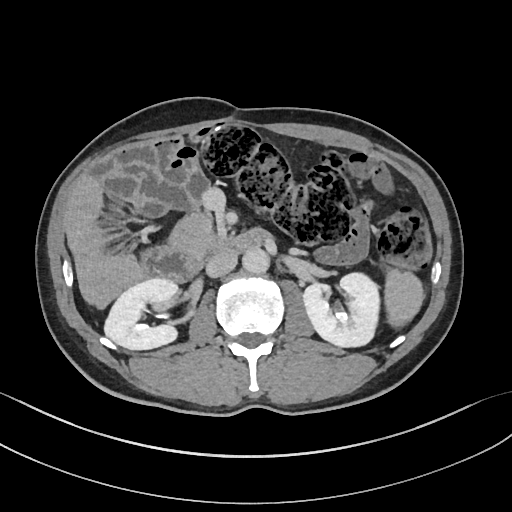 CT abdomen · axial view · soft-tissue window · 512x512 px
Box edges are left/top/right/bottom in pixels. 7 labeled organs on this slice — spleen at left=384, top=266, right=424, bottom=325; right kidney at left=104, top=280, right=177, bottom=350; left kidney at left=301, top=273, right=379, bottom=348; aorta at left=242, top=249, right=270, bottom=275; inferior vena cava at left=205, top=251, right=237, bottom=277; pancreas at left=168, top=211, right=220, bottom=254; duodenum at left=141, top=228, right=265, bottom=282.